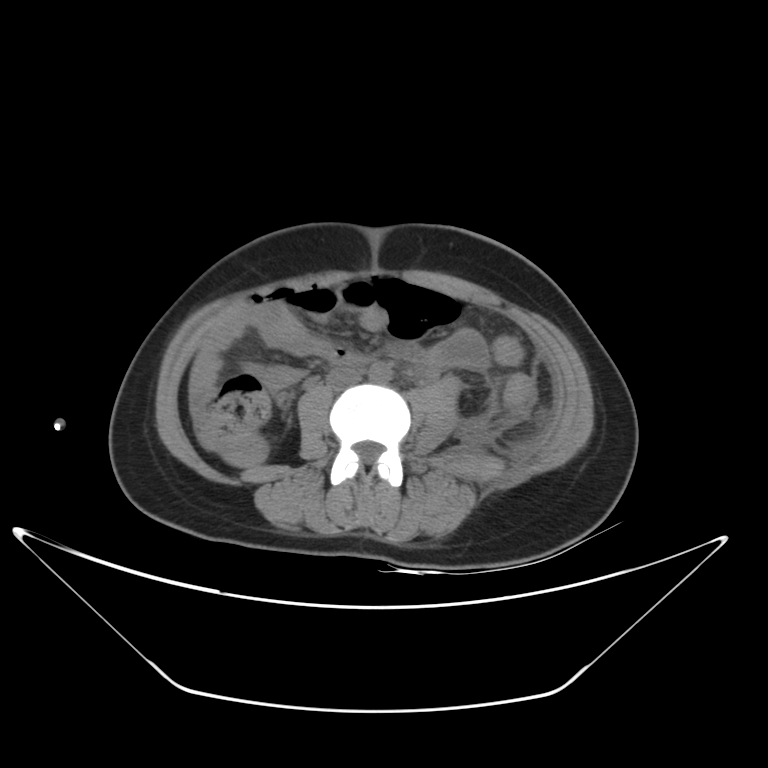
CT, abdomen/pelvis. axial view
Each box given as x1,y1,x2,y2. 2 labeled organs on this slice — aorta at x1=369, y1=362, x2=392, y2=384; inferior vena cava at x1=327, y1=370, x2=361, y2=390.